CT, abdomen/pelvis · Axial slice 74/131 · 512x512 px · 49-year-old male patient
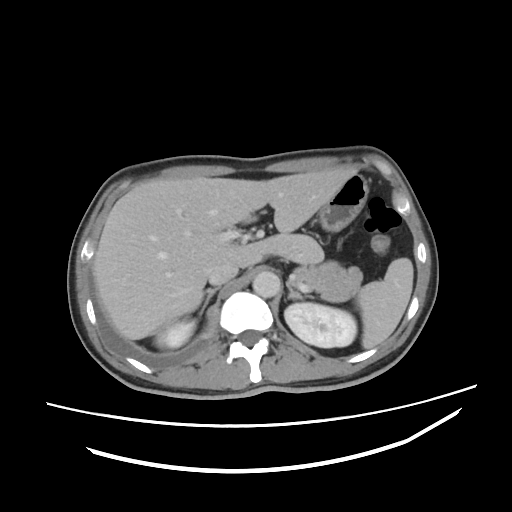 {"organs":{"right kidney":[155,320,195,347],"liver":[93,168,350,339],"left adrenal gland":[286,281,303,299],"pancreas":[291,238,362,301],"spleen":[356,257,413,348],"aorta":[253,271,280,297],"stomach":[318,174,368,231],"right adrenal gland":[198,287,218,316],"left kidney":[284,303,356,347],"inferior vena cava":[208,261,237,285]}}